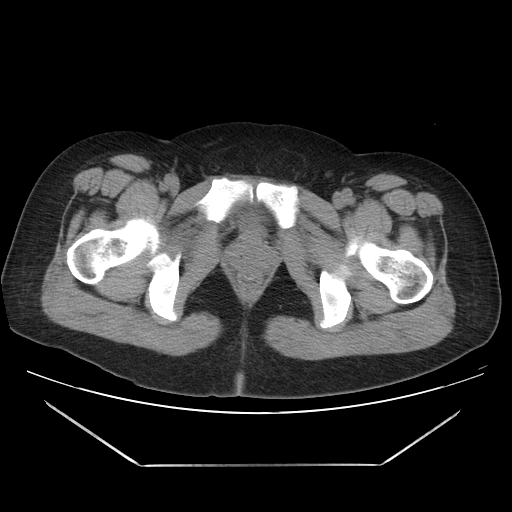

CT, abdomen/pelvis; axial view; abdomen soft-tissue window
{"organs":{"bladder":[239,213,257,232]}}